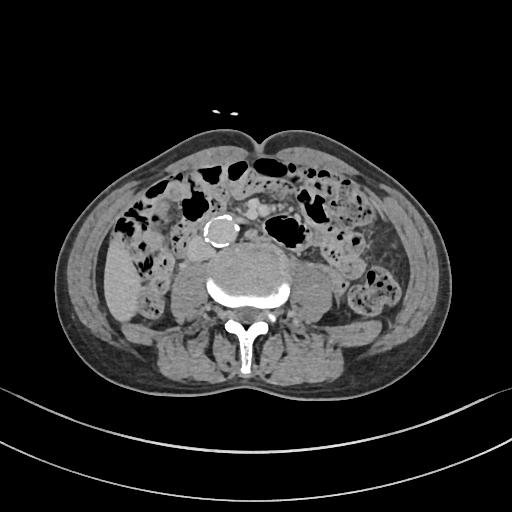
Computed tomography, abdomen · axial plane, index 119 · abdomen soft-tissue window · acquired on SOMATOM Force · scan has 15 labeled organs (that count is for the whole scan; organs this slice misses have no box)
<organs><organ name="liver" x1="103" y1="234" x2="142" y2="324"/><organ name="aorta" x1="207" y1="217" x2="236" y2="246"/><organ name="inferior vena cava" x1="187" y1="240" x2="214" y2="262"/></organs>